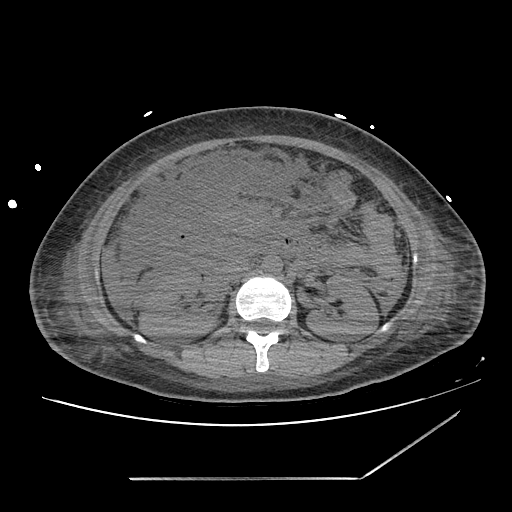

CT, abdomen/pelvis · axial view · 512x512 px
<organs><organ name="right kidney" x1="139" y1="268" x2="217" y2="339"/><organ name="left kidney" x1="307" y1="275" x2="378" y2="341"/><organ name="liver" x1="101" y1="251" x2="121" y2="305"/><organ name="aorta" x1="263" y1="256" x2="281" y2="273"/><organ name="inferior vena cava" x1="220" y1="255" x2="249" y2="281"/><organ name="duodenum" x1="168" y1="214" x2="301" y2="254"/></organs>